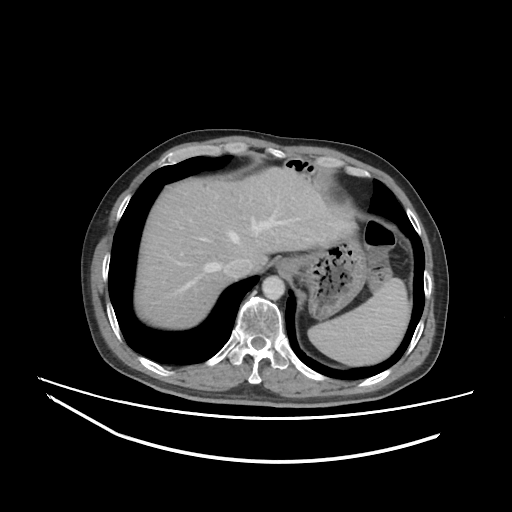

CT abdomen — axial view — soft-tissue window
Boxes: x1:y1:x2:y2 in pixels.
spleen: 308:278:410:366
esophagus: 276:258:295:273
liver: 134:166:356:329
stomach: 291:231:366:318
aorta: 262:275:284:300
inferior vena cava: 223:257:252:278